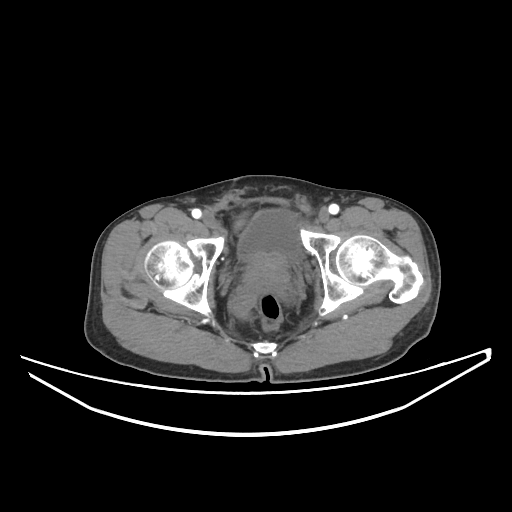 CT, abdomen/pelvis · axial view · 512x512 px
Bounding boxes in pixels, one row per box: x1, y1 is the top-left corner and x2, y2 the bottom-right.
| organ | x1 | y1 | x2 | y2 |
|---|---|---|---|---|
| bladder | 238 | 209 | 300 | 259 |
| prostate/uterus | 248 | 253 | 287 | 280 |